CT of the abdomen extending into the chest, slice through the chest — Axial slice 256/298
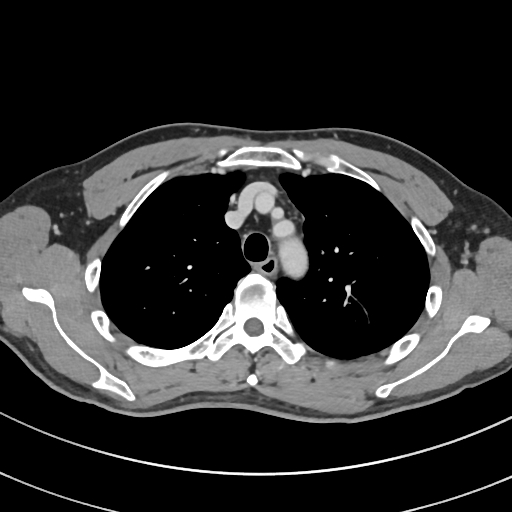
At this level of the chest this dataset labels only the esophagus and the aorta, and each is boxed only where it is labeled; the heart and lungs are never labeled.
One row per box, in pixels: columns x1 and y1 give the top-left corner, x2 and y2 the bottom-right.
| organ | x1 | y1 | x2 | y2 |
|---|---|---|---|---|
| esophagus | 257 | 256 | 278 | 274 |
| aorta | 284 | 245 | 300 | 267 |